Abdominal CT — axial view — soft-tissue window (W 400 / L 40) — 768x768 px — 53-year-old male patient
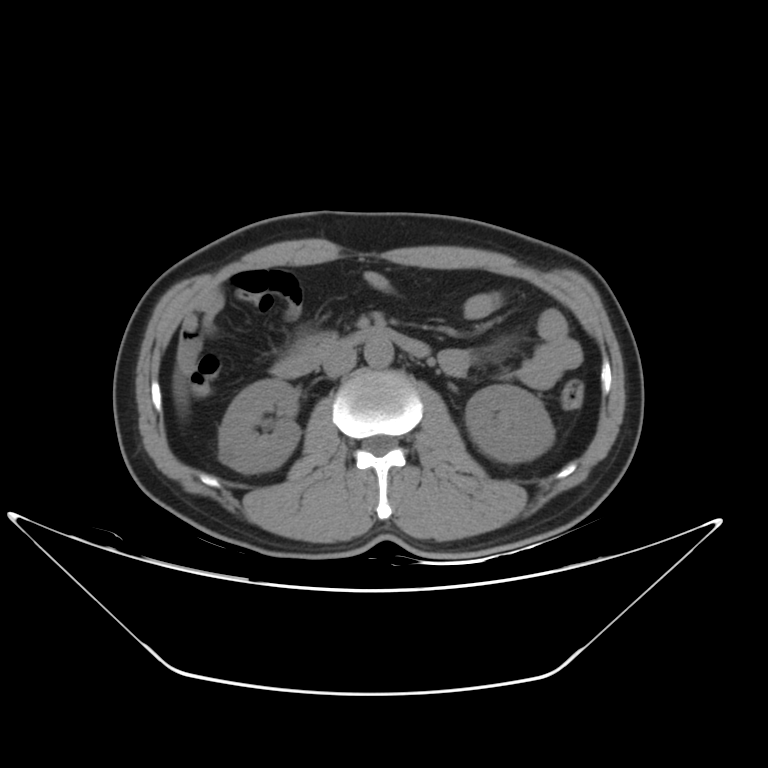
Bounding boxes as [x1, y1, x2, y2] in pixel coordinates.
Organ bounding boxes:
- inferior vena cava: [321, 345, 356, 377]
- aorta: [364, 338, 392, 367]
- right kidney: [218, 379, 297, 473]
- left kidney: [465, 384, 553, 461]
- duodenum: [270, 328, 428, 378]